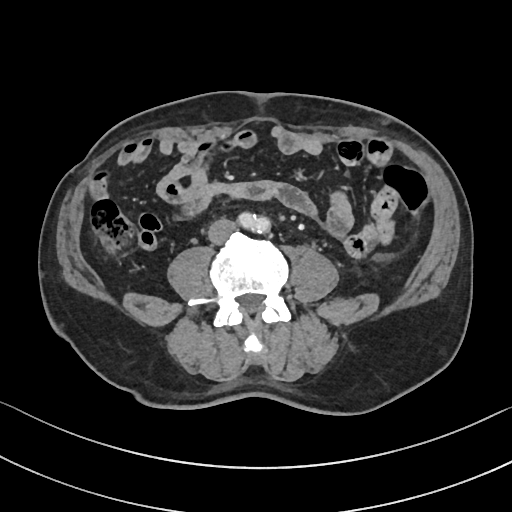 Abdominal CT — axial view — soft-tissue window — 512x512 px
Each box given as x1,y1,x2,y2.
inferior vena cava: x1=208, y1=219, x2=235, y2=244